Abdominal CT — axial view — soft-tissue window (W 400 / L 40)
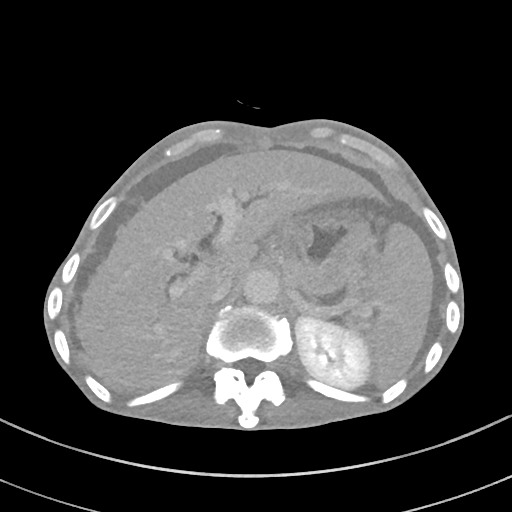
{"organs":{"spleen":[367,224,433,386],"left kidney":[295,316,369,389],"liver":[77,150,375,386],"stomach":[277,209,374,293],"aorta":[243,269,279,304],"inferior vena cava":[206,273,234,302],"left adrenal gland":[287,302,295,316]}}